Abdominal CT; axial plane, index 65
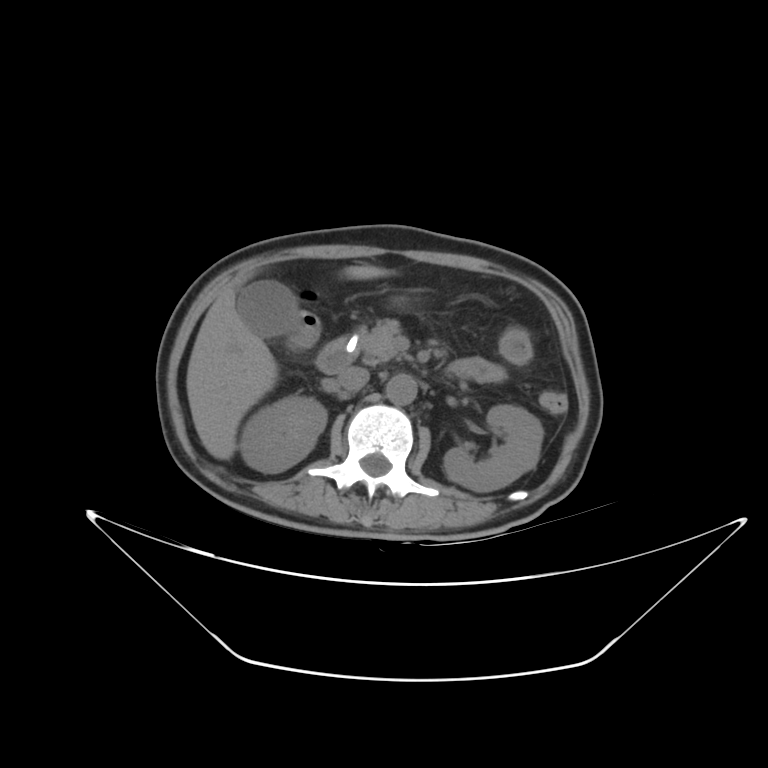

Coordinates as <box>x1,y1,x2,y2</box> in pixels. 8 labeled organs on this slice — right kidney at <box>239,395,326,472</box>; left kidney at <box>443,405,543,491</box>; gall bladder at <box>237,280,296,337</box>; liver at <box>186,264,391,459</box>; aorta at <box>386,374,416,404</box>; inferior vena cava at <box>338,366,369,391</box>; pancreas at <box>357,319,406,365</box>; duodenum at <box>315,336,357,374</box>.